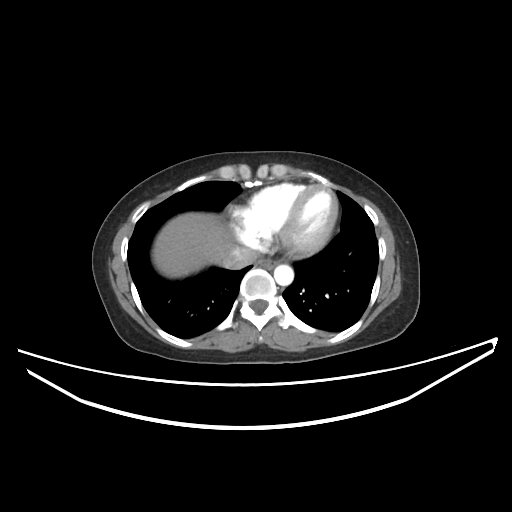

Abdominal CT; axial view; soft-tissue window (W 400 / L 40); 37-year-old female patient
{"organs":{"liver":[151,212,233,278],"inferior vena cava":[221,246,257,269],"aorta":[274,265,293,285],"esophagus":[258,258,277,268]}}